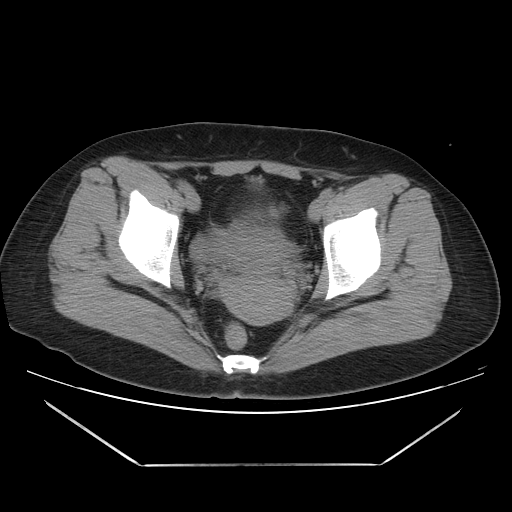
CT abdomen — axial view — 512x512 px — scan has 15 labeled organs (a whole-scan count: organs this slice does not pass through have no box)
<organs><organ name="prostate/uterus" x1="211" y1="224" x2="292" y2="324"/></organs>